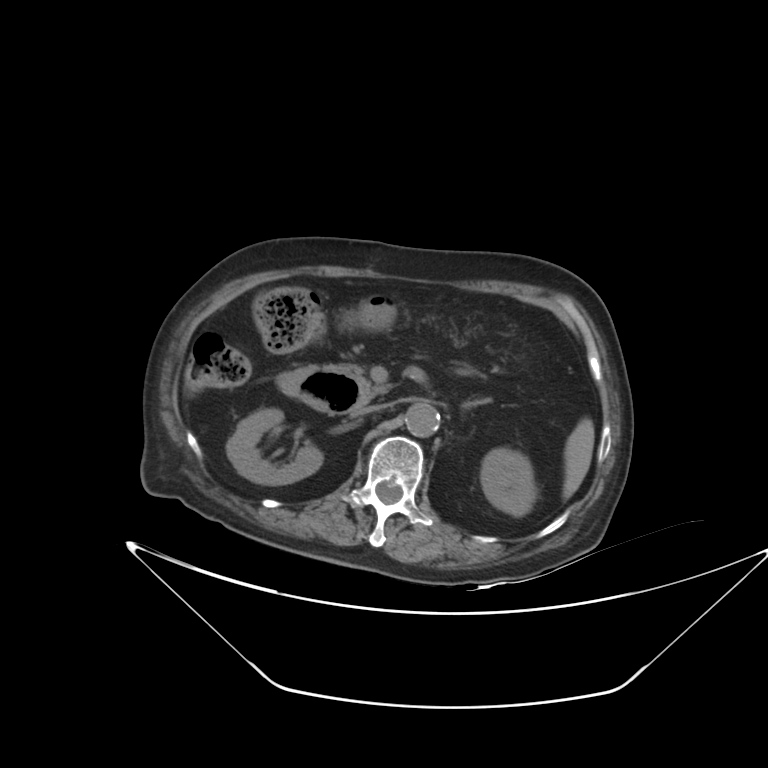
Abdominal CT. axial view. soft-tissue window. 80-year-old female patient
<organs><organ name="spleen" x1="562" y1="418" x2="594" y2="499"/><organ name="right kidney" x1="226" y1="408" x2="322" y2="485"/><organ name="left kidney" x1="480" y1="448" x2="536" y2="516"/><organ name="aorta" x1="405" y1="402" x2="439" y2="436"/><organ name="inferior vena cava" x1="355" y1="404" x2="385" y2="415"/><organ name="pancreas" x1="344" y1="365" x2="470" y2="400"/><organ name="duodenum" x1="277" y1="367" x2="366" y2="414"/></organs>